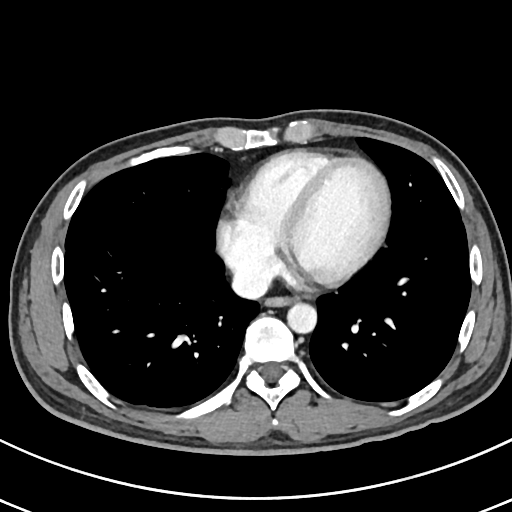
Abdominal CT; this slice is in the lower chest, just above the liver — Axial slice 212/218 — W/L 400/40 HU — 512x512 px — SOMATOM Force scanner — 15 organs annotated in this scan (a whole-scan count: organs this slice does not pass through have no box)
The heart and lungs are never labeled in this dataset, so they have no box on this slice.
{"organs":{"esophagus":[265,297,292,306],"aorta":[287,303,316,333],"inferior vena cava":[232,265,271,298]}}